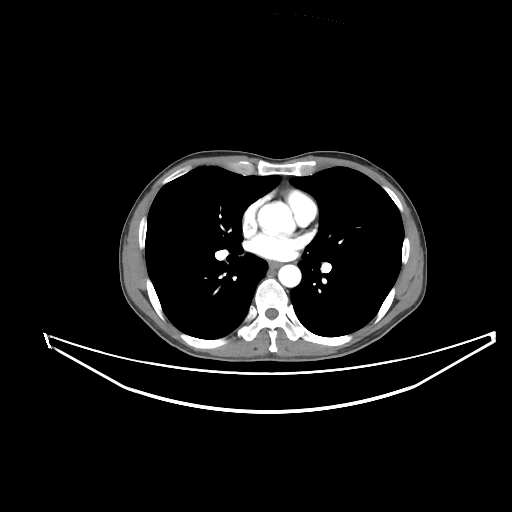

Chest-level CT slice, above the liver and spleen. axial plane, index 100. W/L 400/40 HU. 512x512 px
At this level of the chest no structure but the esophagus and the aorta has a label in this dataset, and those two are boxed only where they are labeled.
<organs><organ name="esophagus" x1="270" y1="261" x2="281" y2="267"/><organ name="aorta" x1="258" y1="202" x2="295" y2="235"/><organ name="aorta" x1="278" y1="264" x2="301" y2="287"/></organs>